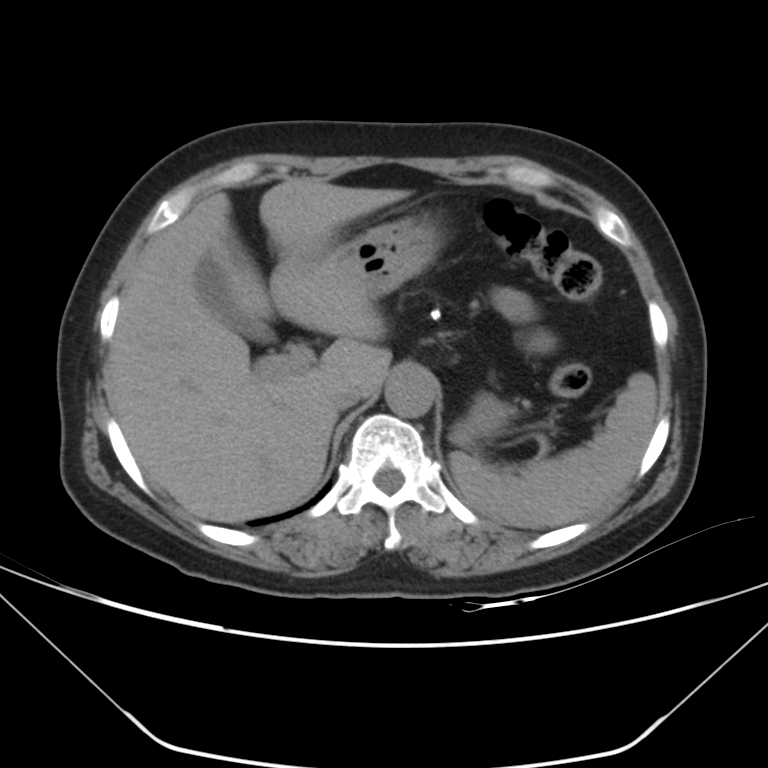

CT abdomen; Axial slice 69/89; abdomen soft-tissue window
Boxes: x1:y1:x2:y2 in pixels.
spleen: 449:372:657:529
gall bladder: 196:253:274:343
liver: 107:178:410:522
stomach: 326:216:509:446
aorta: 385:368:436:417
inferior vena cava: 327:380:366:410